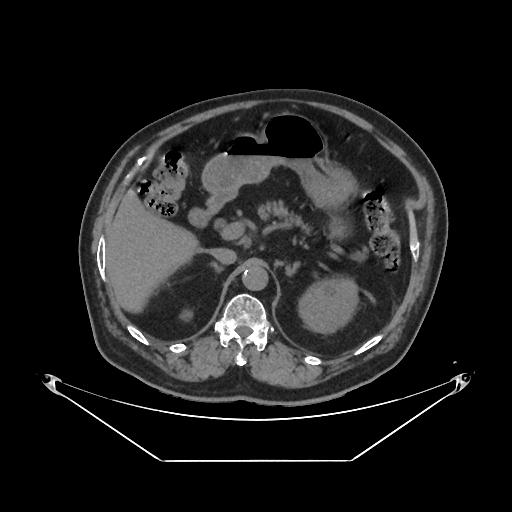
Computed tomography, abdomen; axial view; abdomen soft-tissue window; scan has 15 labeled organs (counted over the whole 3D scan, not this slice; an organ is boxed only where this slice passes through it)
{"organs":{"left kidney":[298,278,358,333],"liver":[106,189,199,312],"stomach":[202,113,356,237],"aorta":[242,265,268,290],"inferior vena cava":[209,248,236,264],"pancreas":[258,200,366,260],"right adrenal gland":[210,262,223,272],"left adrenal gland":[285,262,299,275],"duodenum":[188,193,227,227]}}